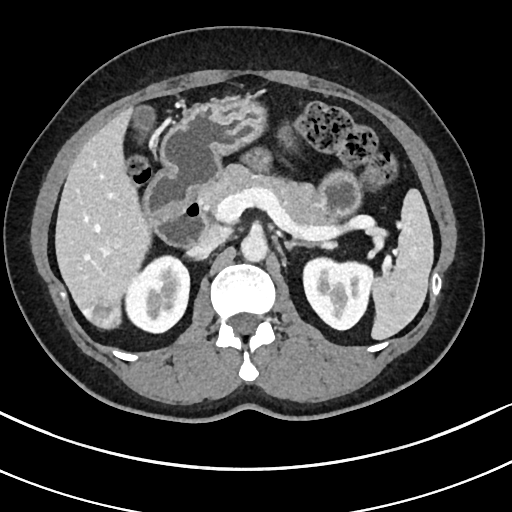

Computed tomography, abdomen; Axial slice 148/206; 15 organs annotated in this scan (counted over the whole 3D scan, not this slice; an organ is boxed only where this slice passes through it)
{"organs":{"spleen":[371,190,433,339],"right kidney":[126,256,189,333],"left kidney":[302,256,374,330],"gall bladder":[135,107,156,130],"liver":[55,109,149,326],"stomach":[161,99,361,216],"aorta":[239,234,267,260],"inferior vena cava":[188,225,226,255],"pancreas":[197,165,336,226],"left adrenal gland":[285,241,311,247],"duodenum":[142,168,208,245]}}